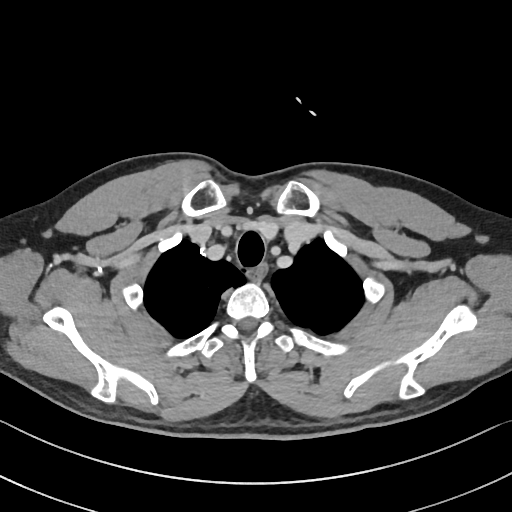 Abdominal CT reaching into the chest; this slice is in the chest. axial view. W/L 400/40 HU
At this level of the chest no structure but the esophagus and the aorta has a label in this dataset, and those two are boxed only where they are labeled.
Each box given as x1,y1,x2,y2.
esophagus: x1=246, y1=262, x2=268, y2=280